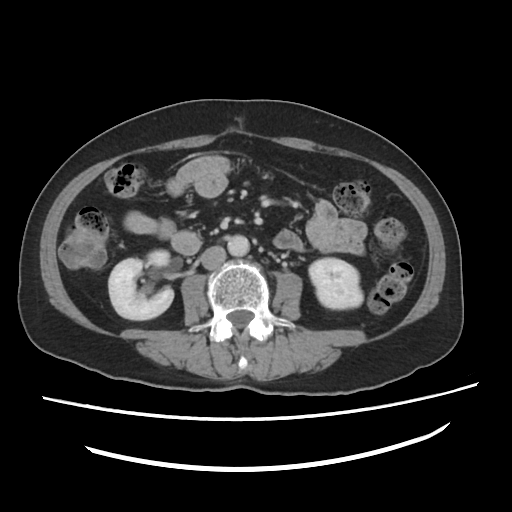

Abdominal CT — axial view — abdomen soft-tissue window — 61-year-old female patient — acquired on Aquilion ONE — scan has 14 labeled organs (a whole-scan count: organs this slice does not pass through have no box)
Bounding boxes as [x1, y1, x2, y2] in pixel coordinates.
Organ bounding boxes:
- right kidney: [109, 250, 173, 320]
- left kidney: [308, 257, 363, 308]
- aorta: [228, 234, 250, 254]
- inferior vena cava: [199, 246, 225, 268]